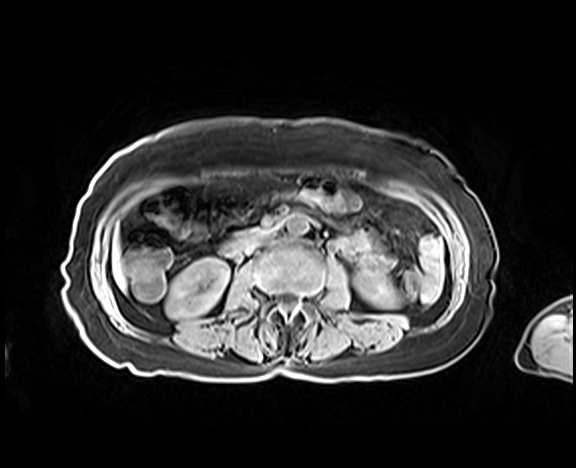
Abdominal MR · Axial slice 14/72 · 1st–99th percentile window
<organs><organ name="right kidney" x1="165" y1="257" x2="229" y2="319"/><organ name="left kidney" x1="354" y1="270" x2="398" y2="308"/><organ name="liver" x1="112" y1="239" x2="125" y2="288"/><organ name="aorta" x1="286" y1="214" x2="308" y2="236"/><organ name="inferior vena cava" x1="247" y1="230" x2="274" y2="251"/><organ name="duodenum" x1="220" y1="231" x2="258" y2="256"/></organs>